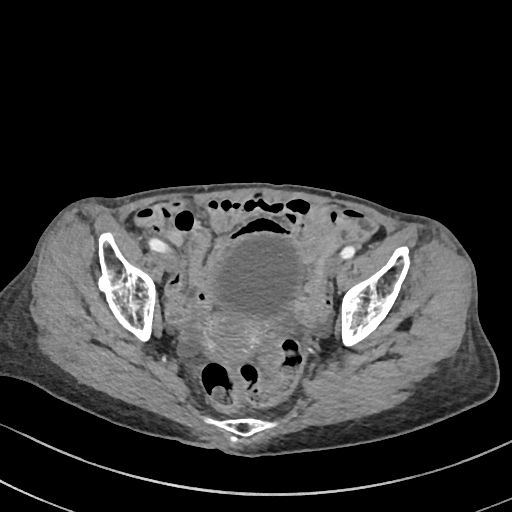

Computed tomography, abdomen; axial view; W/L 400/40 HU; 512x512 px
Organ boxes in pixel coordinates; each row gives the top-left (x1, y1) and bottom-right (x2, y2) corners.
| organ | x1 | y1 | x2 | y2 |
|---|---|---|---|---|
| bladder | 211 | 233 | 306 | 315 |
| prostate/uterus | 202 | 311 | 263 | 361 |